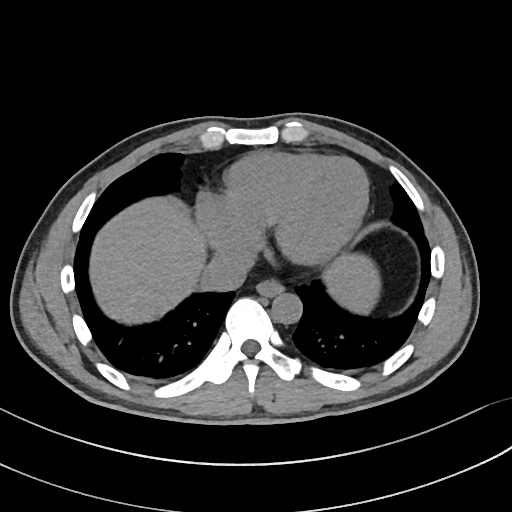 Abdominal CT — Axial slice 222/228 — abdomen soft-tissue window
Coordinates as <box>x1,y1,x2,y2</box> in pixels. 4 labeled organs on this slice — inferior vena cava at <box>201,250,253,290</box>; liver at <box>90,196,380,324</box>; aorta at <box>272,293,302,324</box>; esophagus at <box>256,280,284,297</box>.